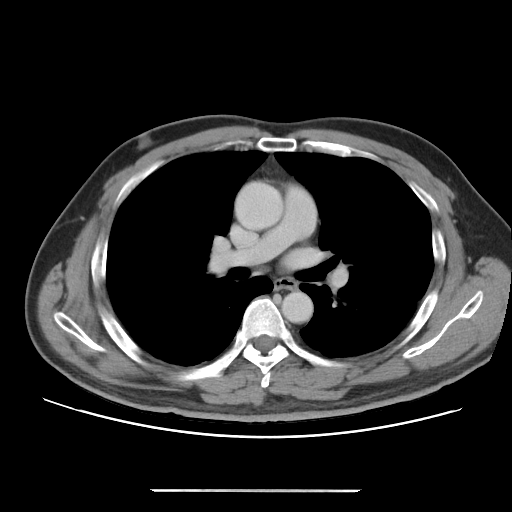 Abdominal CT reaching into the chest; this slice is in the chest · axial view · 512x512 px · 15 organs annotated in this scan (that count is for the whole scan; organs this slice misses have no box)
On a slice this high in the chest, this dataset labels only the esophagus and the aorta, and each is boxed only where it is labeled; the heart, lungs and other chest structures are not labeled.
Bounding boxes in pixels, one row per box: x1, y1 is the top-left corner and x2, y2 the bottom-right.
| organ | x1 | y1 | x2 | y2 |
|---|---|---|---|---|
| aorta | 234 | 181 | 283 | 230 |
| aorta | 281 | 291 | 313 | 323 |
| esophagus | 274 | 277 | 296 | 289 |